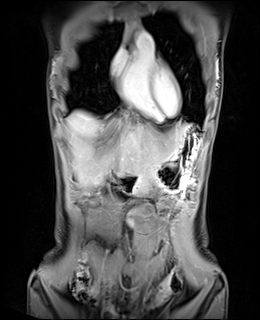

Abdominal MRI — coronal plane, index 99 — percentile-normalized
Bounding boxes as [x1, y1, x2, y2] in pixel coordinates.
Organ bounding boxes:
- liver: [67, 111, 189, 187]
- duodenum: [110, 171, 140, 186]
- pancreas: [132, 172, 141, 172]
- stomach: [135, 131, 202, 189]